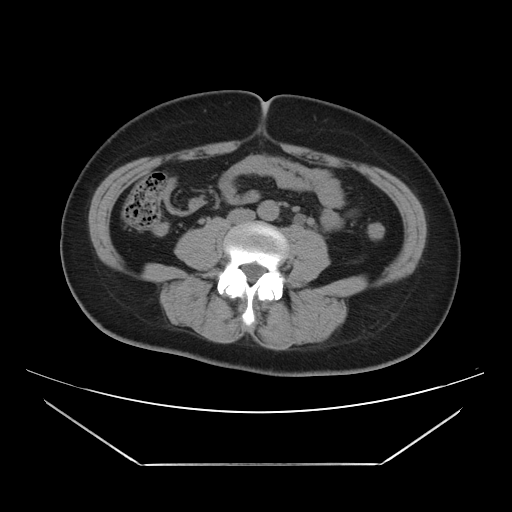
CT abdomen. Axial slice 42/93. SOMATOM Force scanner
Coordinates as <box>x1,y1,x2,y2</box> in pixels.
Organ bounding boxes:
- aorta: <box>257,200,279,220</box>
- inferior vena cava: <box>227,209,254,223</box>